CT abdomen — axial plane, index 219 — 15 organs annotated in this scan (that count is for the whole scan; organs this slice misses have no box)
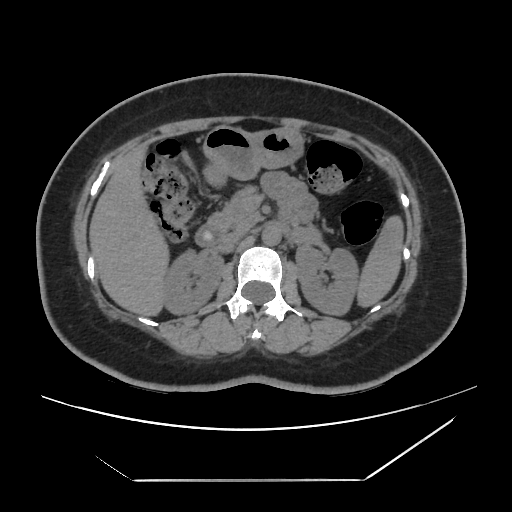

Bounding boxes as [x1, y1, x2, y2] in pixel coordinates.
pancreas: [207, 187, 261, 231]
duodenum: [195, 225, 224, 246]
aorta: [261, 226, 280, 245]
liver: [90, 148, 167, 315]
left kidney: [296, 245, 359, 314]
inferior vena cava: [220, 229, 247, 246]
stomach: [203, 126, 303, 182]
right kidney: [162, 248, 222, 314]
spleen: [358, 216, 403, 306]